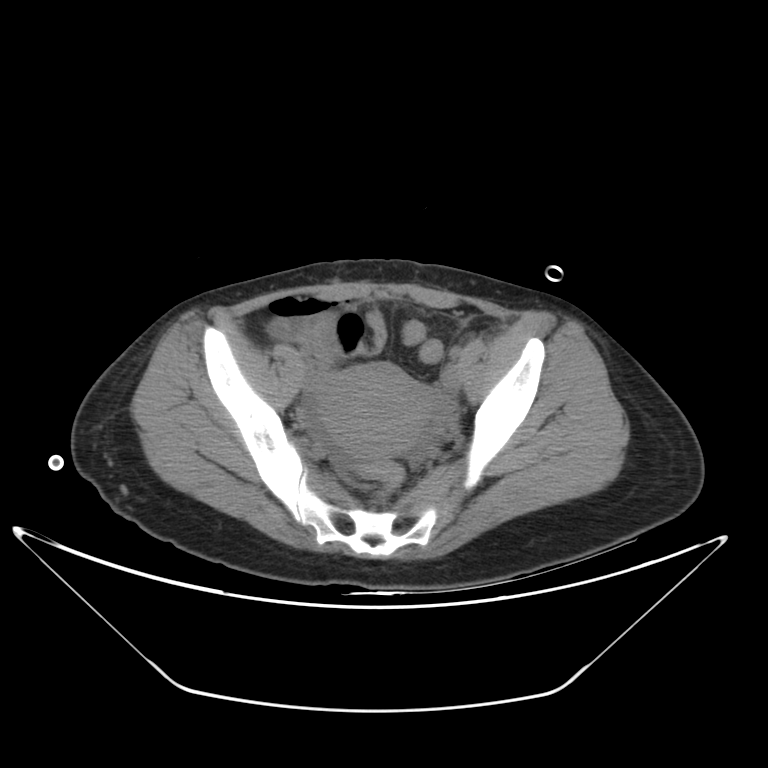
CT, abdomen/pelvis · axial view · soft-tissue window (W 400 / L 40) · Brilliance16 scanner
Boxes: x1 y1 x2 y2 (pixel coords, space-separated). 1 labeled organ on this slice — prostate/uterus at 318 362 427 456.